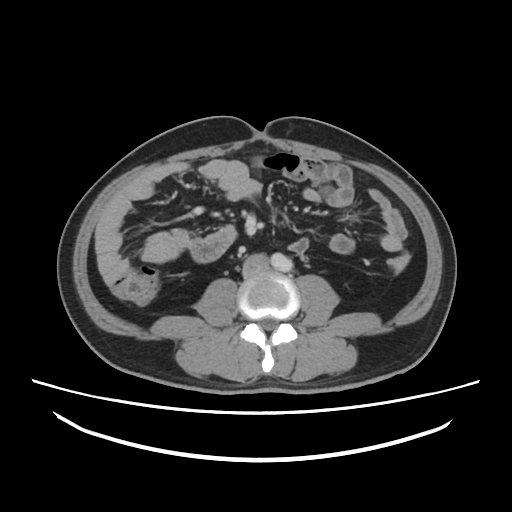
Abdominal CT — Axial slice 53/133 — soft-tissue window — 31-year-old male patient
<organs><organ name="inferior vena cava" x1="243" y1="253" x2="268" y2="275"/></organs>